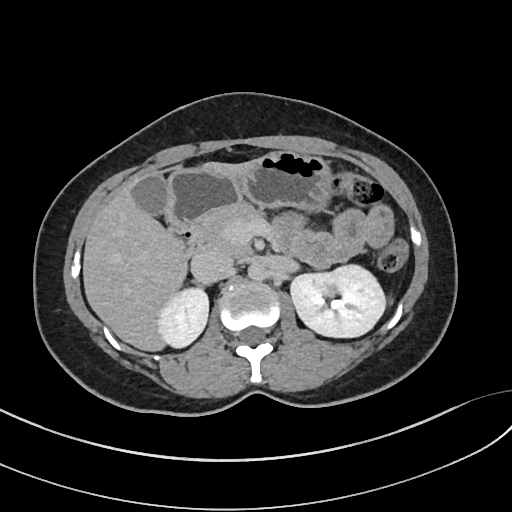
CT abdomen · Axial slice 155/219 · soft-tissue window
Boxes: x1:y1:x2:y2 in pixels. Labeled organs on this slice: right kidney at 158:288:208:348, left kidney at 289:265:386:338, gall bladder at 135:177:169:217, liver at 82:159:258:352, stomach at 167:151:332:225, aorta at 248:264:267:282, inferior vena cava at 192:250:233:285, pancreas at 198:201:268:251, right adrenal gland at 194:283:207:289, duodenum at 170:224:203:255.